Abdominal CT. axial view. W/L 400/40 HU. 512x512 px
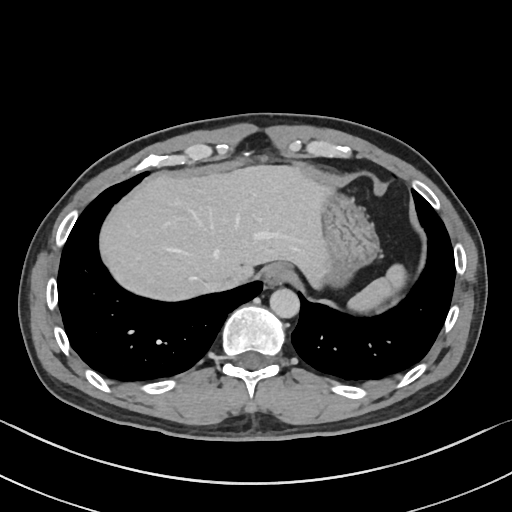

Boxes: x1 y1 x2 y2 (pixel coords, space-separated). 6 labeled organs on this slice — spleen at 348 264 405 310; esophagus at 262 265 291 287; liver at 98 166 330 300; stomach at 321 191 378 285; aorta at 270 288 299 318; inferior vena cava at 205 279 226 289.